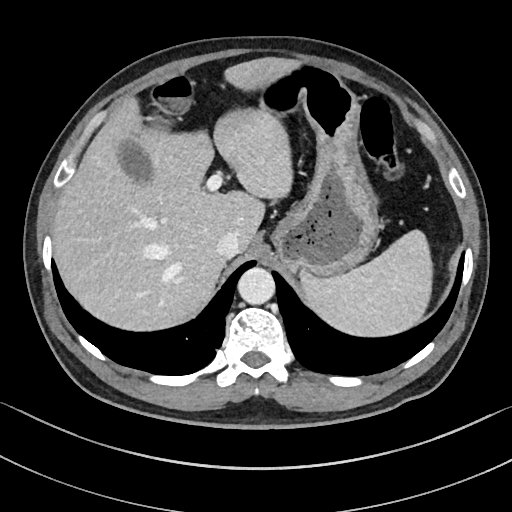

Computed tomography, abdomen — axial view — 512x512 px
{"organs":{"spleen":[300,230,432,336],"gall bladder":[118,138,151,182],"liver":[52,57,298,331],"stomach":[257,62,379,277],"aorta":[237,267,274,305],"inferior vena cava":[216,232,240,259]}}